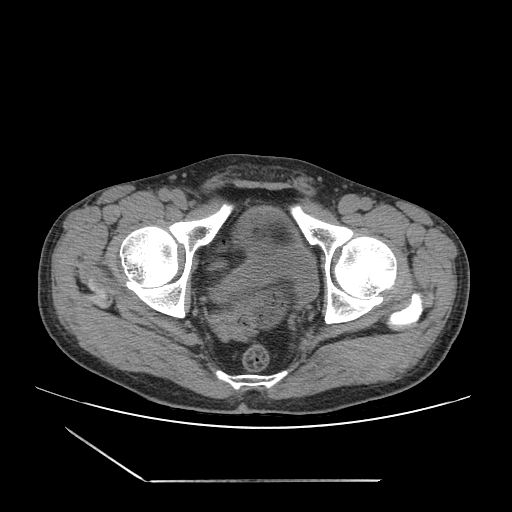 CT abdomen. axial plane, index 30. soft-tissue window (W 400 / L 40). scan has 15 labeled organs (counted over the whole 3D scan, not this slice; an organ is boxed only where this slice passes through it)
One row per box, in pixels: columns x1 and y1 give the top-left corner, x2 and y2 the bottom-right.
| organ | x1 | y1 | x2 | y2 |
|---|---|---|---|---|
| bladder | 212 | 206 | 318 | 310 |